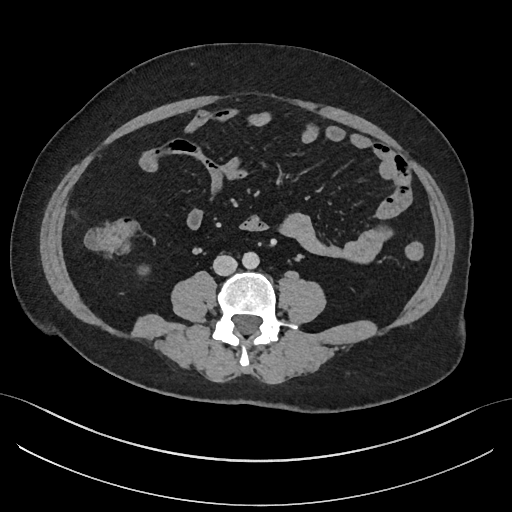
CT abdomen — axial view — soft-tissue window (W 400 / L 40) — acquired on SOMATOM Force — 15 organs annotated in this scan (that count is for the whole scan; organs this slice misses have no box)
Boxes: x1:y1:x2:y2 in pixels. The annotated organs in this slice are: aorta at 242:252:259:269, inferior vena cava at 213:255:236:275.